Computed tomography, abdomen. Axial slice 51/83. 32-year-old female patient. scan has 15 labeled organs (that count is for the whole scan; organs this slice misses have no box)
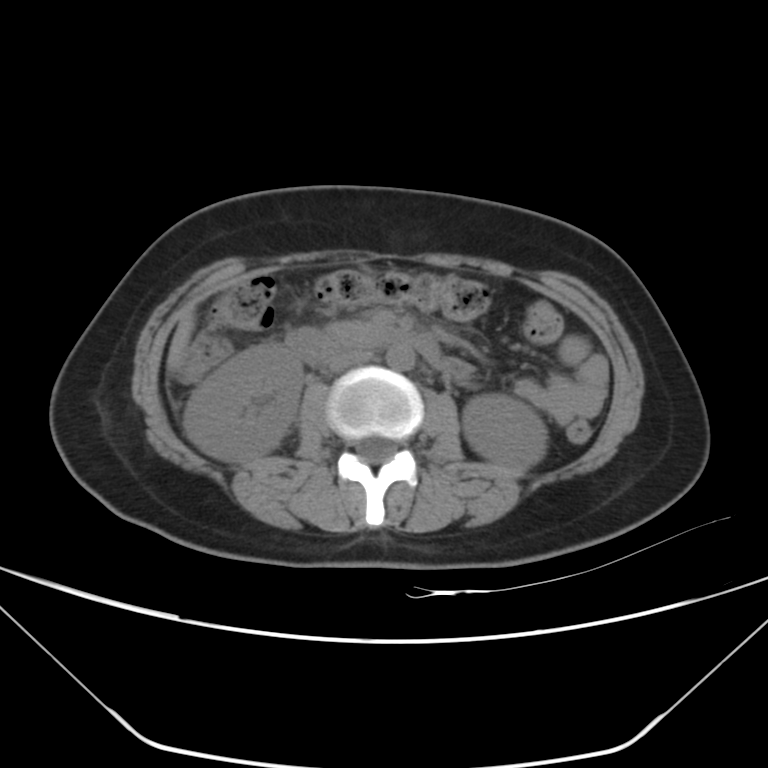

One row per box, in pixels: columns x1 and y1 give the top-left corner, x2 and y2 the bottom-right.
| organ | x1 | y1 | x2 | y2 |
|---|---|---|---|---|
| pancreas | 326 | 321 | 368 | 342 |
| left kidney | 462 | 394 | 547 | 468 |
| liver | 167 | 306 | 195 | 371 |
| duodenum | 286 | 326 | 444 | 366 |
| aorta | 386 | 343 | 415 | 369 |
| right kidney | 184 | 342 | 302 | 461 |
| inferior vena cava | 326 | 348 | 371 | 371 |